CT, abdomen/pelvis — Axial slice 103/306 — abdomen soft-tissue window — 512x512 px
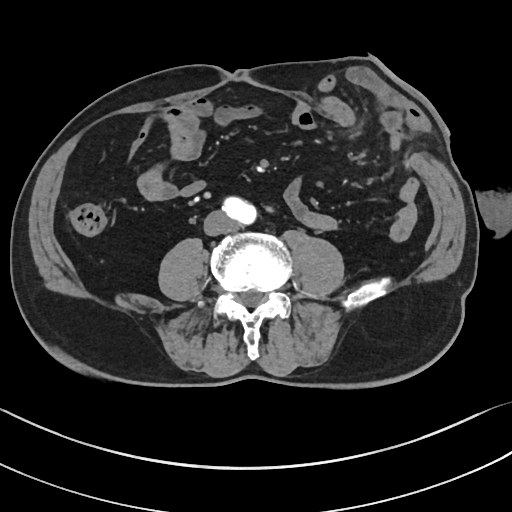 Boxes: x1 y1 x2 y2 (pixel coords, space-separated). The annotated organs in this slice are: aorta at 221 196 257 224, inferior vena cava at 204 211 236 235.